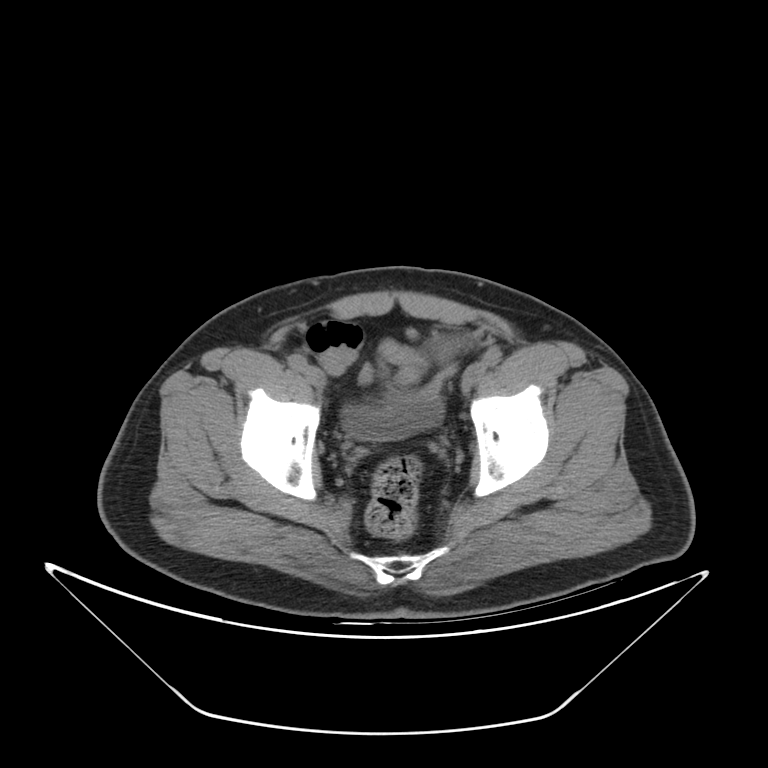
Computed tomography, abdomen · axial plane, index 19 · 55-year-old male patient · acquired on Brilliance16
Boxes are (x1, y1, x2, y2) in pixels. 1 labeled organ on this slice — bladder at (342, 388, 443, 439).